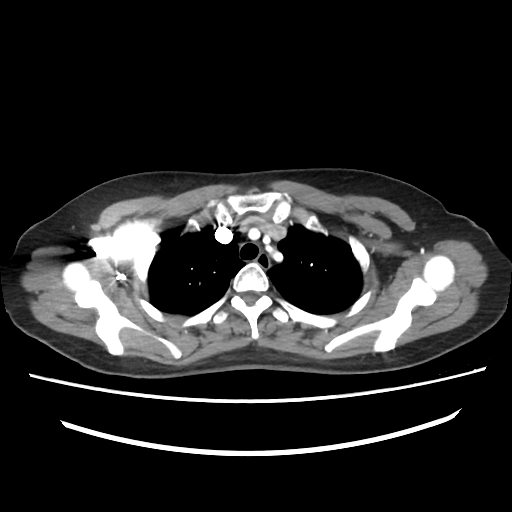 Abdominal CT reaching into the chest; this slice is in the chest — Axial slice 115/123 — W/L 400/40 HU — 15 organs annotated in this scan (that count is for the whole scan; organs this slice misses have no box)
At this level of the chest no structure but the esophagus and the aorta has a label in this dataset, and those two are boxed only where they are labeled.
<organs><organ name="esophagus" x1="255" y1="254" x2="269" y2="268"/></organs>